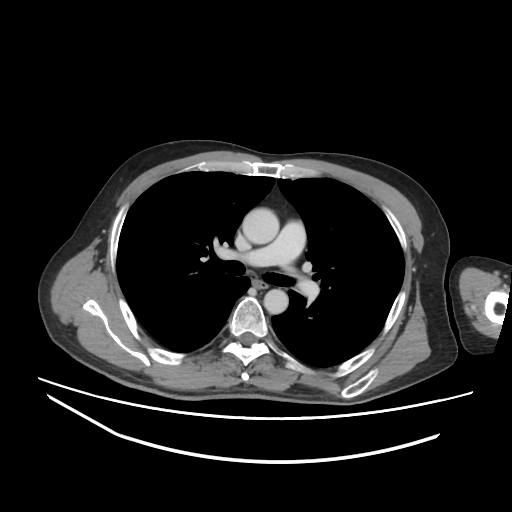 Chest-level slice from an abdominal CT that extends up into the chest. axial view. 15 organs annotated in this scan (a whole-scan count: organs this slice does not pass through have no box)
At this level of the chest no structure but the esophagus and the aorta has a label in this dataset, and those two are boxed only where they are labeled.
{"organs":{"esophagus":[253,279,266,287],"aorta":[[242,208,279,244],[263,289,288,314]]}}